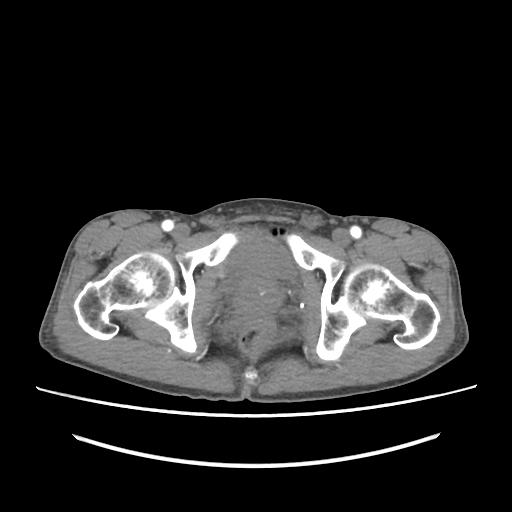

CT abdomen. axial view. soft-tissue window. 512x512 px. 62-year-old male patient. acquired on Aquilion ONE
Boxes: x1 y1 x2 y2 (pixel coords, space-separated). Labeled organs on this slice: bladder at 226 241 295 281, prostate/uterus at 234 273 282 321.